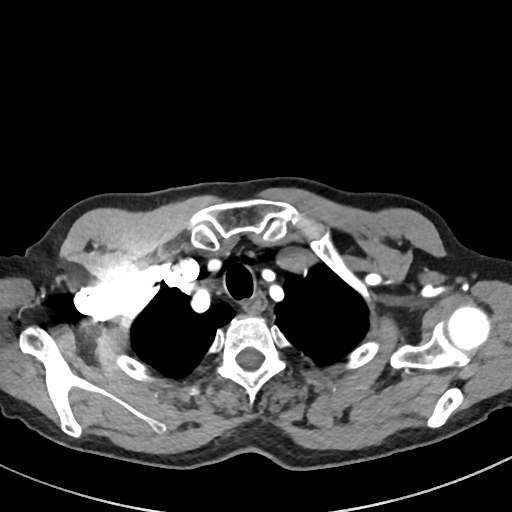

Abdominal CT reaching into the chest; this slice is in the chest — axial plane, index 290 — W/L 400/40 HU — 512x512 px
At this level of the chest no structure but the esophagus and the aorta has a label in this dataset, and those two are boxed only where they are labeled.
Bounding boxes as [x1, y1, x2, y2] in pixel coordinates.
Organ bounding boxes:
- esophagus: [244, 293, 265, 313]